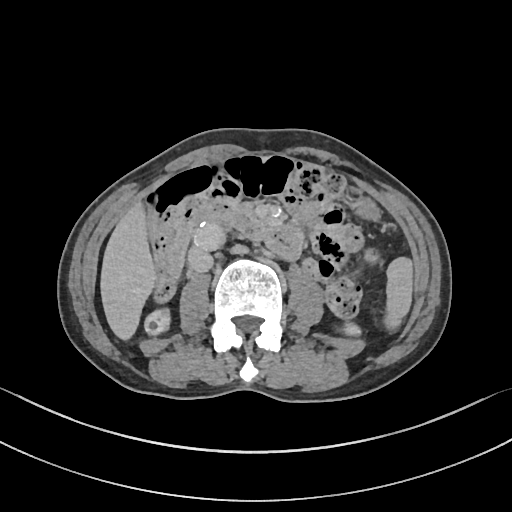 CT abdomen · axial view · abdomen soft-tissue window
Bounding boxes as [x1, y1, x2, y2] in pixel coordinates.
Organ bounding boxes:
- spleen: [385, 256, 414, 328]
- right kidney: [143, 307, 169, 337]
- left kidney: [340, 324, 361, 337]
- liver: [99, 200, 156, 341]
- stomach: [350, 196, 380, 222]
- aorta: [194, 222, 224, 251]
- inferior vena cava: [188, 248, 213, 272]
- pancreas: [236, 205, 264, 222]
- duodenum: [196, 201, 305, 259]